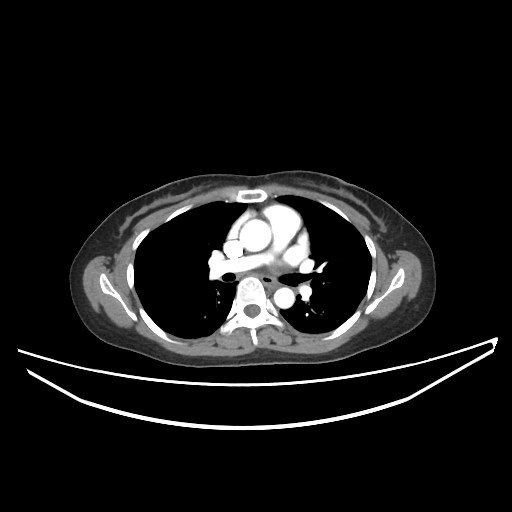

Chest-level slice from an abdominal CT that extends up into the chest; axial view; 512x512 px
On a slice this high in the chest, this dataset labels only the esophagus and the aorta, and each is boxed only where it is labeled; the heart, lungs and other chest structures are not labeled.
{"organs":{"aorta":[[240,219,271,251],[274,287,294,308]],"esophagus":[262,275,276,287]}}